CT abdomen · axial view · W/L 400/40 HU · scan has 15 labeled organs (that count is for the whole scan; organs this slice misses have no box)
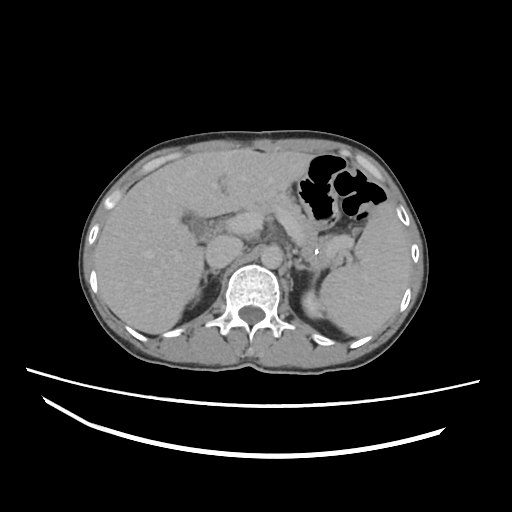
One row per box, in pixels: columns x1 and y1 give the top-left corner, x2 and y2 the bottom-right.
| organ | x1 | y1 | x2 | y2 |
|---|---|---|---|---|
| spleen | 319 | 203 | 410 | 334 |
| right kidney | 193 | 290 | 202 | 302 |
| gall bladder | 184 | 215 | 213 | 243 |
| left kidney | 301 | 290 | 322 | 318 |
| right adrenal gland | 203 | 269 | 219 | 281 |
| inferior vena cava | 205 | 234 | 242 | 268 |
| liver | 95 | 151 | 313 | 333 |
| pancreas | 241 | 192 | 322 | 274 |
| aorta | 260 | 246 | 282 | 268 |
| left adrenal gland | 293 | 253 | 315 | 276 |